Chest-level CT slice, above the liver and spleen — Axial slice 121/124 — soft-tissue window
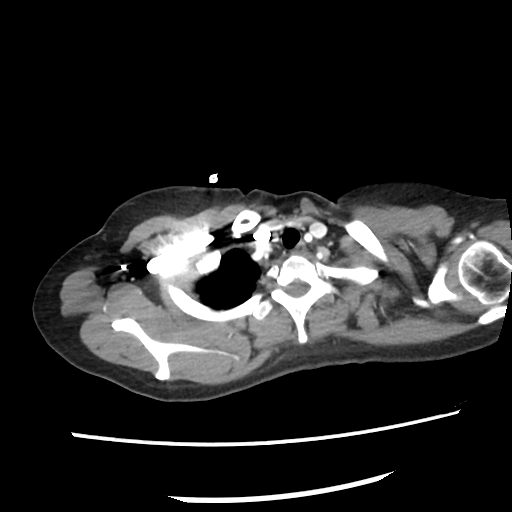 At this level of the chest no structure but the esophagus and the aorta has a label in this dataset, and those two are boxed only where they are labeled.
Boxes: x1 y1 x2 y2 (pixel coords, space-separated).
Organ bounding boxes:
- esophagus: 295 240 304 253